CT abdomen; axial view; abdomen soft-tissue window
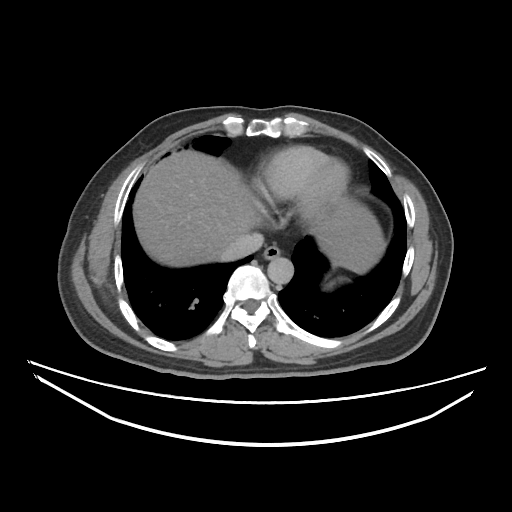

{"organs":{"aorta":[267,257,293,285],"liver":[132,150,381,272],"esophagus":[263,244,280,259],"inferior vena cava":[216,232,264,262]}}